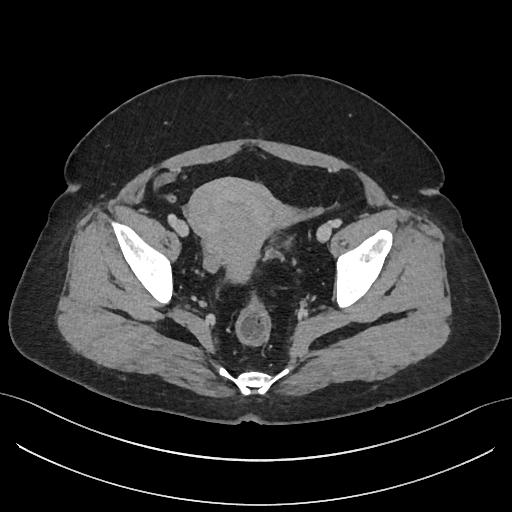
Abdominal CT; Axial slice 50/305; soft-tissue window; 512x512 px; acquired on SOMATOM Force
Bounding boxes as [x1, y1, x2, y2] in pixel coordinates.
Organ bounding boxes:
- bladder: [283, 235, 290, 242]
- prostate/uterus: [185, 179, 276, 281]